CT, abdomen/pelvis · axial plane, index 190
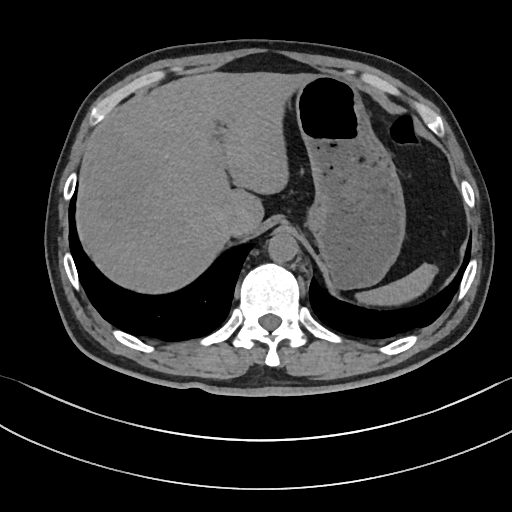 One row per box, in pixels: columns x1 and y1 give the top-left corner, x2 and y2 the bottom-right.
| organ | x1 | y1 | x2 | y2 |
|---|---|---|---|---|
| inferior vena cava | 223 | 211 | 244 | 236 |
| liver | 75 | 71 | 312 | 293 |
| aorta | 267 | 231 | 298 | 262 |
| spleen | 355 | 263 | 435 | 304 |
| stomach | 294 | 74 | 404 | 289 |